Abdominal MR. axial plane, index 7. 1st–99th percentile window. Prisma scanner. scan has 13 labeled organs (counted over the whole 3D scan, not this slice; an organ is boxed only where this slice passes through it)
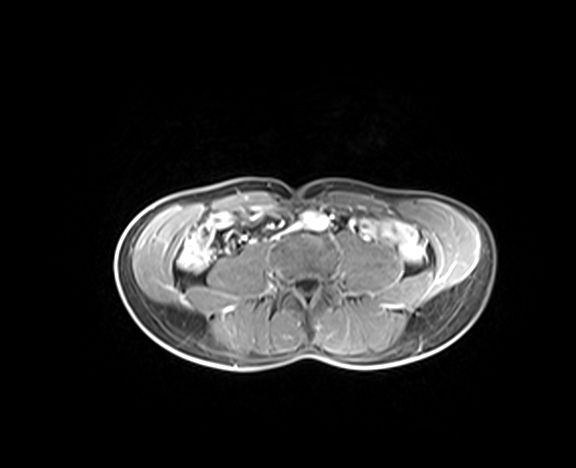
{"organs":{"aorta":[304,213,327,229]}}